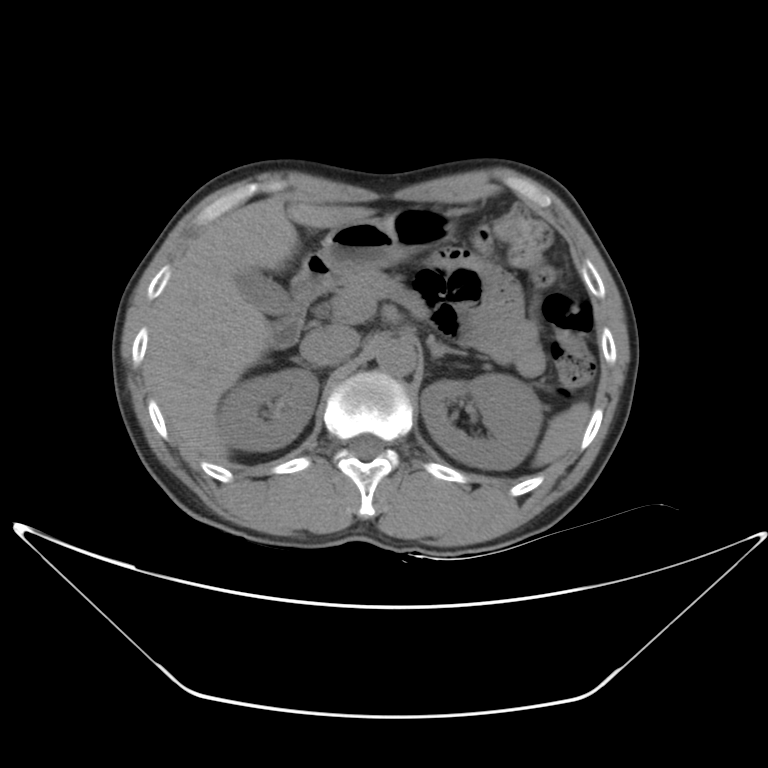
CT abdomen — axial plane, index 70 — 768x768 px
One row per box, in pixels: columns x1 and y1 give the top-left corner, x2 and y2 the bottom-right.
| organ | x1 | y1 | x2 | y2 |
|---|---|---|---|---|
| spleen | 533 | 406 | 589 | 466 |
| right kidney | 216 | 367 | 318 | 451 |
| left kidney | 421 | 373 | 543 | 469 |
| gall bladder | 238 | 270 | 288 | 315 |
| liver | 149 | 202 | 375 | 462 |
| stomach | 293 | 202 | 464 | 301 |
| aorta | 373 | 338 | 416 | 378 |
| inferior vena cava | 300 | 324 | 359 | 367 |
| pancreas | 330 | 267 | 390 | 324 |
| right adrenal gland | 290 | 355 | 315 | 370 |
| left adrenal gland | 427 | 335 | 465 | 359 |
| duodenum | 270 | 296 | 306 | 346 |